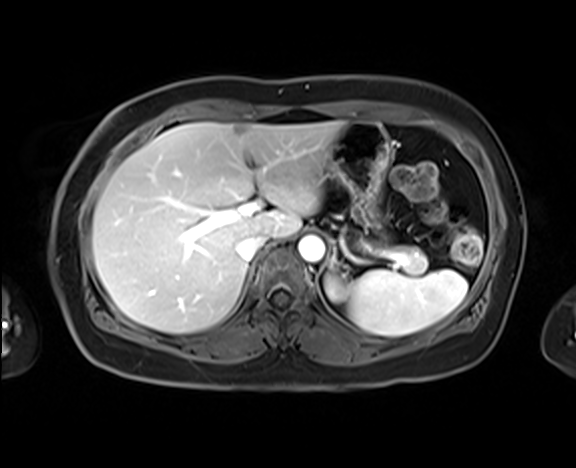
Abdominal MRI — axial plane, index 38 — percentile-normalized
{"organs":{"spleen":[345,269,467,336],"left kidney":[326,276,347,300],"liver":[92,121,343,333],"stomach":[329,121,389,227],"aorta":[298,235,324,262],"inferior vena cava":[236,234,267,261],"pancreas":[391,245,428,274],"left adrenal gland":[330,255,337,269]}}